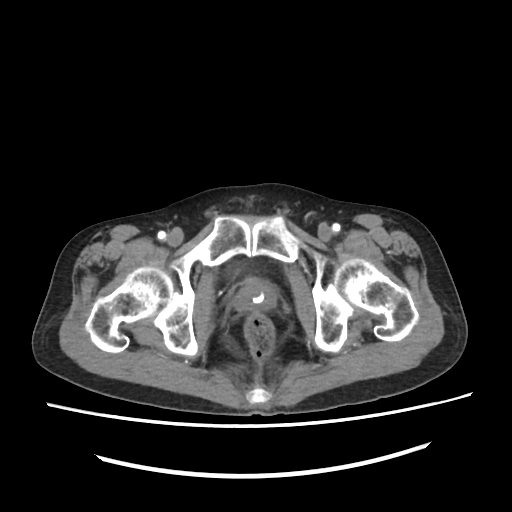
CT, abdomen/pelvis · axial plane, index 17 · abdomen soft-tissue window
Bounding boxes in pixels, one row per box: x1, y1 is the top-left corner and x2, y2 the bottom-right.
| organ | x1 | y1 | x2 | y2 |
|---|---|---|---|---|
| prostate/uterus | 233 | 280 | 276 | 311 |